Abdominal CT; axial view; 512x512 px
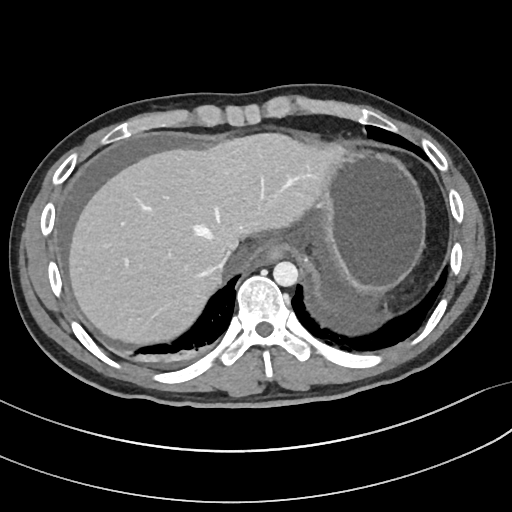
Bounding boxes as [x1, y1, x2, y2] in pixel coordinates. Labeled organs on this slice: esophagus at [256, 243, 286, 264], liver at [68, 133, 343, 344], stomach at [320, 149, 425, 294], aorta at [273, 261, 298, 286], inferior vena cava at [222, 250, 232, 267].